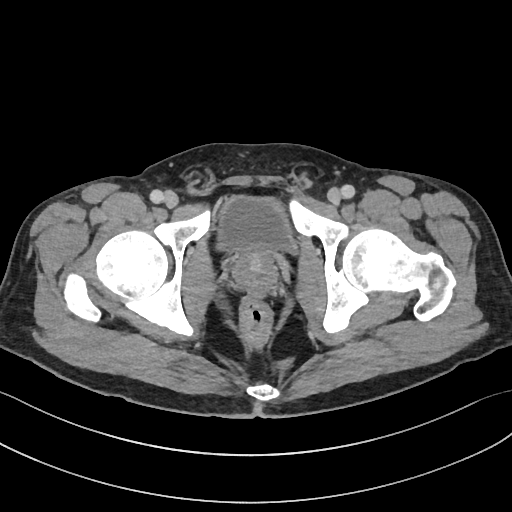
Abdominal CT. axial view. W/L 400/40 HU. 512x512 px. acquired on SOMATOM Force
Box edges are left/top/right/bottom in pixels. The annotated organs in this slice are: prostate/uterus at left=231, top=251, right=279, bottom=288, bladder at left=216, top=195, right=297, bottom=254.